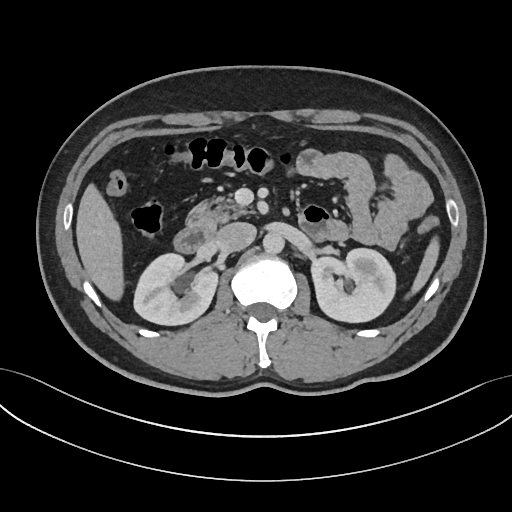
CT abdomen; Axial slice 173/345; SOMATOM Force scanner
One row per box, in pixels: columns x1 and y1 give the top-left corner, x2 and y2 the bottom-right.
| organ | x1 | y1 | x2 | y2 |
|---|---|---|---|---|
| spleen | 411 | 240 | 439 | 294 |
| right kidney | 134 | 254 | 218 | 325 |
| left kidney | 309 | 247 | 396 | 323 |
| liver | 75 | 183 | 122 | 301 |
| aorta | 262 | 233 | 284 | 254 |
| inferior vena cava | 215 | 222 | 256 | 251 |
| pancreas | 185 | 192 | 250 | 227 |
| duodenum | 172 | 225 | 214 | 253 |